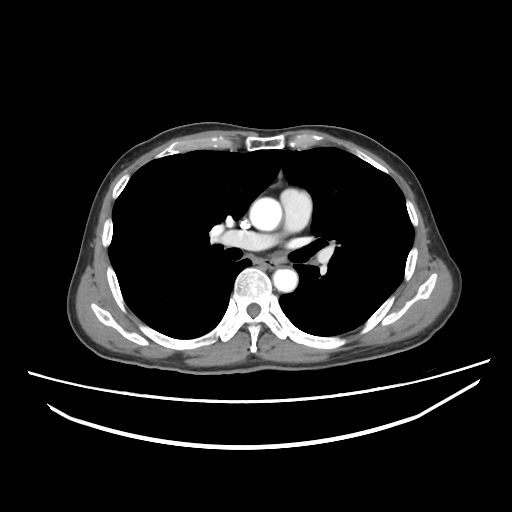
CT of the abdomen extending into the chest, slice through the chest. axial plane, index 72. 512x512 px. 63-year-old male patient
At this level of the chest no structure but the esophagus and the aorta has a label in this dataset, and those two are boxed only where they are labeled.
{"organs":{"esophagus":[262,259,276,267],"aorta":[[249,197,282,231],[273,268,297,292]]}}